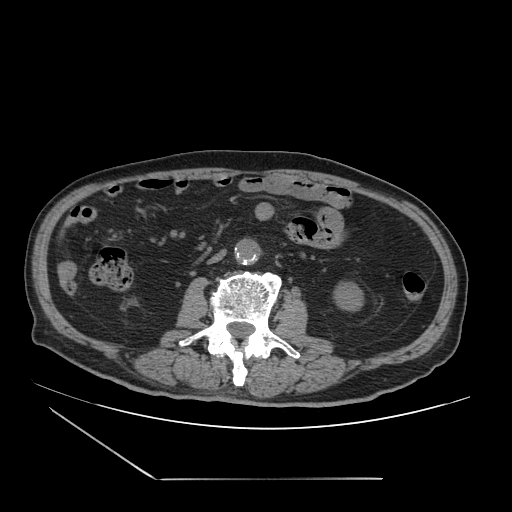
Abdominal CT. axial view. 512x512 px. 15 organs annotated in this scan (that count is for the whole scan; organs this slice misses have no box)
Each box given as x1,y1,x2,y2.
left kidney: x1=330, y1=279, x2=366, y2=313
aorta: x1=234, y1=239, x2=260, y2=265
inferior vena cava: x1=207, y1=250, x2=225, y2=264